Computed tomography, abdomen · axial plane, index 214 · soft-tissue window (W 400 / L 40)
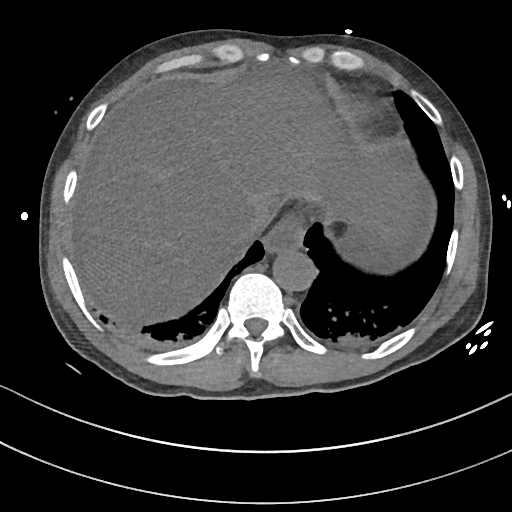

Boxes are (x1, y1, x2, y2) in pixels.
aorta: (272, 248, 315, 291)
esophagus: (264, 213, 305, 252)
inferior vena cava: (234, 211, 269, 242)
stomach: (333, 219, 413, 264)
liver: (75, 73, 417, 323)